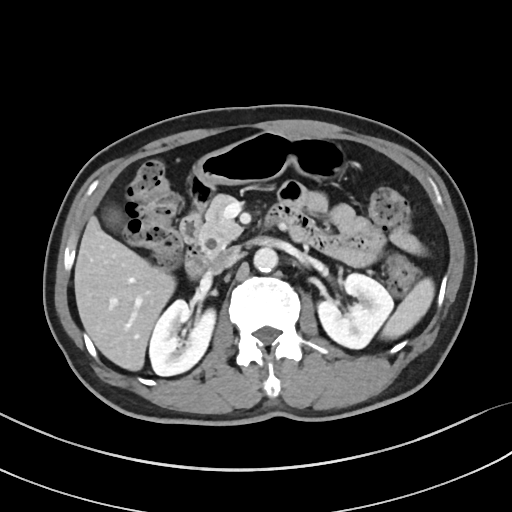 CT, abdomen/pelvis · axial view · soft-tissue window (W 400 / L 40) · SOMATOM Force scanner
Boxes: x1:y1:x2:y2 in pixels.
spleen: 381:278:434:339
right kidney: 149:299:215:375
left kidney: 318:273:393:348
gall bladder: 109:211:119:225
liver: 74:216:175:371
stomach: 191:131:346:204
aorta: 253:247:277:272
inferior vena cava: 210:247:238:273
pancreas: 197:194:242:256
duodenum: 180:171:312:278